Abdominal CT — axial view — soft-tissue window
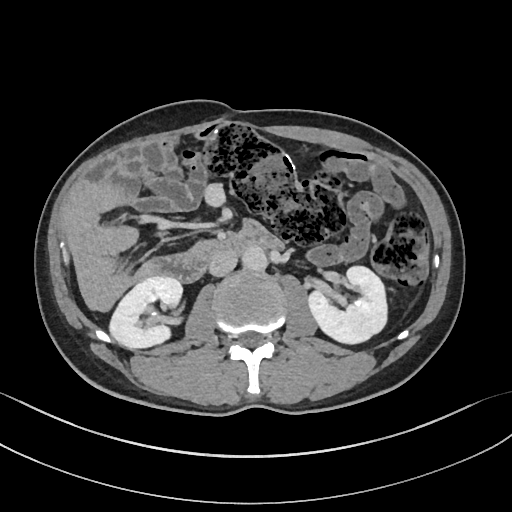

Bounding boxes as [x1, y1, x2, y2] in pixel coordinates.
Organ bounding boxes:
- inferior vena cava: [209, 251, 237, 276]
- right kidney: [109, 276, 182, 348]
- aorta: [242, 246, 268, 271]
- left kidney: [308, 266, 387, 343]
- duodenum: [148, 230, 281, 282]